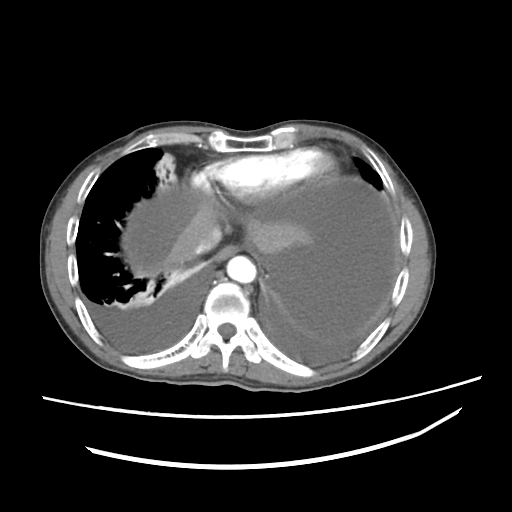
Computed tomography, abdomen · axial view · 512x512 px · scan has 15 labeled organs (a whole-scan count: organs this slice does not pass through have no box)
<organs><organ name="inferior vena cava" x1="195" y1="226" x2="223" y2="254"/><organ name="esophagus" x1="218" y1="244" x2="240" y2="260"/><organ name="aorta" x1="226" y1="255" x2="256" y2="283"/><organ name="liver" x1="168" y1="206" x2="314" y2="264"/></organs>